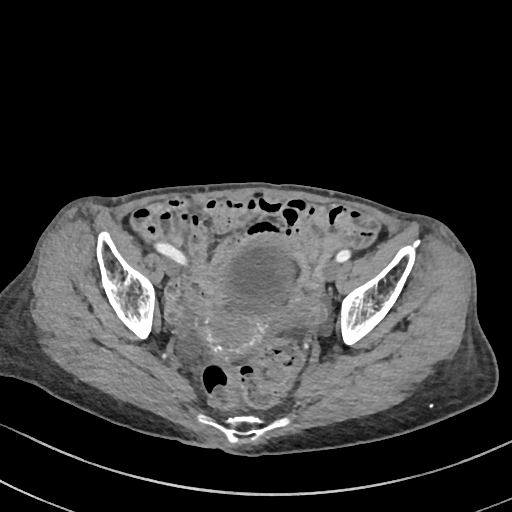
Abdominal CT — axial view — W/L 400/40 HU — 512x512 px
{"organs":{"prostate/uterus":[203,309,260,357],"bladder":[225,238,295,311]}}